Abdominal CT; axial plane, index 166; 512x512 px
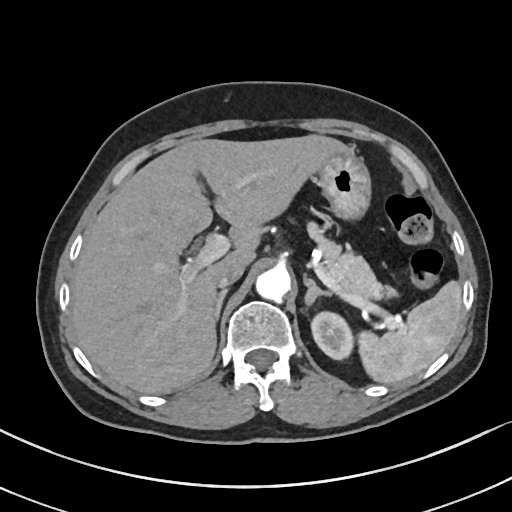

Coordinates as <box>x1,y1,x2,y2</box> in pixels.
Organ bounding boxes:
- pancreas: <box>308,222,393,302</box>
- stomach: <box>316,149,369,217</box>
- liver: <box>71,135,347,393</box>
- left kidney: <box>310,311,352,360</box>
- inferior vena cava: <box>216,263,245,287</box>
- left adrenal gland: <box>303,275,332,305</box>
- aorta: <box>256,266,290,299</box>
- right adrenal gland: <box>214,287,228,320</box>
- spleen: <box>358,280,461,383</box>